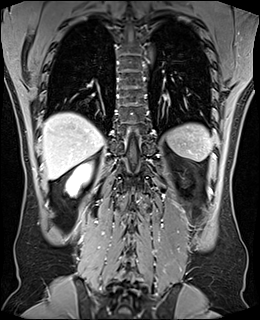 MRI, abdomen; coronal view
Each box given as x1,y1,x2,y2.
Organ bounding boxes:
- spleen: x1=166, y1=123, x2=213, y2=161
- right kidney: x1=66, y1=163, x2=91, y2=196
- liver: x1=42, y1=113, x2=103, y2=179